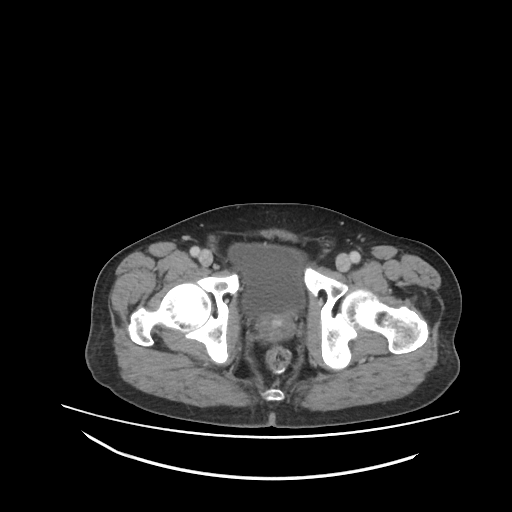 Abdominal CT; axial view; soft-tissue window; 512x512 px; 66-year-old male patient; 15 organs annotated in this scan (counted over the whole 3D scan, not this slice; an organ is boxed only where this slice passes through it)
Box edges are left/top/right/bottom in pixels.
Organ bounding boxes:
- prostate/uterus: left=256, top=311, right=294, bottom=340
- bladder: left=229, top=241, right=306, bottom=318